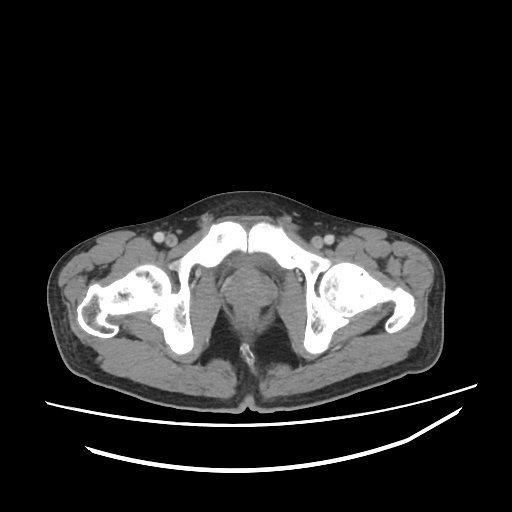
CT, abdomen/pelvis — axial view — abdomen soft-tissue window — 512x512 px — Aquilion ONE scanner
Bounding boxes in pixels, one row per box: x1, y1 is the top-left corner and x2, y2 the bottom-right.
| organ | x1 | y1 | x2 | y2 |
|---|---|---|---|---|
| bladder | 233 | 255 | 261 | 267 |
| prostate/uterus | 226 | 269 | 274 | 308 |